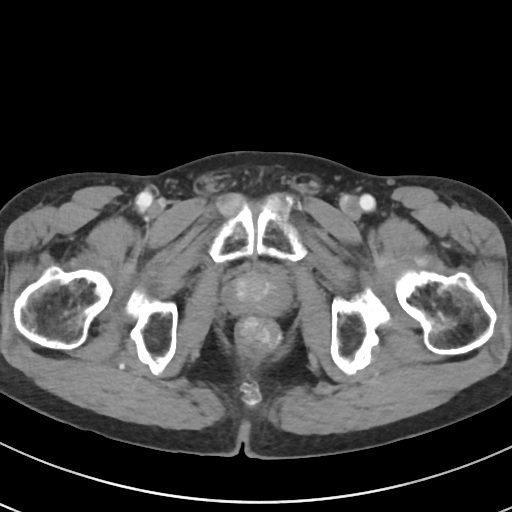 Computed tomography, abdomen — Axial slice 6/122 — 15 organs annotated in this scan (that count is for the whole scan; organs this slice misses have no box)
{"organs":{"prostate/uterus":[224,269,290,314]}}